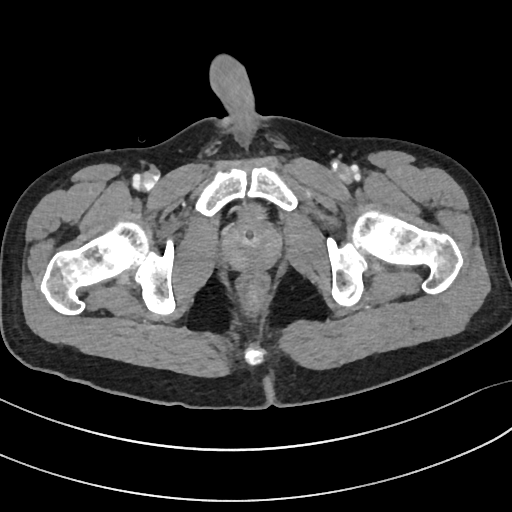
Abdominal CT — axial plane, index 13 — soft-tissue window (W 400 / L 40) — 512x512 px
One row per box, in pixels: columns x1 and y1 give the top-left corner, x2 and y2 the bottom-right.
| organ | x1 | y1 | x2 | y2 |
|---|---|---|---|---|
| bladder | 240 | 204 | 264 | 221 |
| prostate/uterus | 223 | 221 | 280 | 269 |